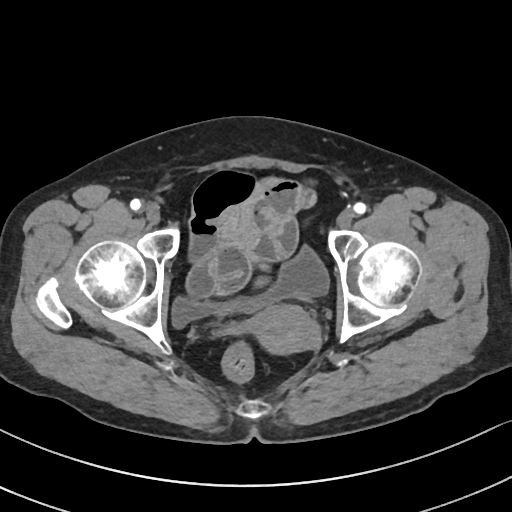 Computed tomography, abdomen — axial view — soft-tissue window (W 400 / L 40)
Bounding boxes as [x1, y1, x2, y2] in pixel coordinates.
bladder: [171, 246, 329, 327]
prostate/uterus: [246, 306, 319, 356]